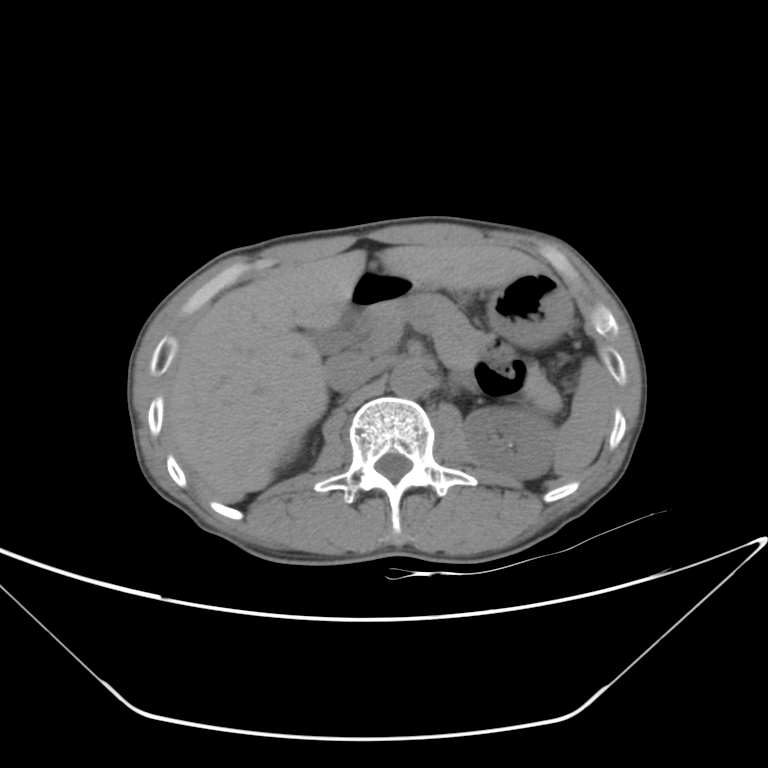

CT, abdomen/pelvis; axial view; 768x768 px; scan has 15 labeled organs (a whole-scan count: organs this slice does not pass through have no box)
Boxes: x1 y1 x2 y2 (pixel coords, space-separated). Labeled organs on this slice: pancreas at 368 294 561 410, liver at 165 242 544 502, aorta at 389 363 428 398, left adrenal gland at 454 377 476 388, inferior vena cava at 325 351 378 391, left kidney at 463 408 553 479, duodenum at 336 289 376 335, spleen at 553 357 613 478, stomach at 356 271 573 347.